CT abdomen — axial view — soft-tissue window (W 400 / L 40)
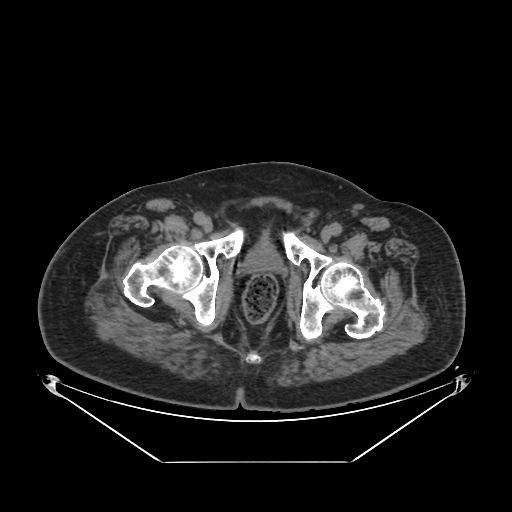

Organ boxes in pixel coordinates; each row gives the top-left (x1, y1) and bottom-right (x2, y2) corners.
| organ | x1 | y1 | x2 | y2 |
|---|---|---|---|---|
| prostate/uterus | 247 | 247 | 278 | 270 |